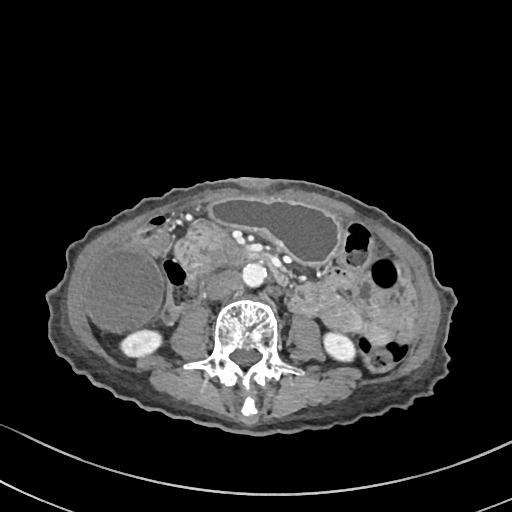
Computed tomography, abdomen. axial view
Coordinates as <box>x1,y1,x2,y2</box> in pixels. The annotated organs in this slice are: aorta at <box>241,264,265,288</box>, right kidney at <box>117,328,164,358</box>, stomach at <box>209,196,341,264</box>, left kidney at <box>321,330,358,364</box>, inferior vena cava at <box>206,271,239,300</box>, duodenum at <box>175,220,287,284</box>, pancreas at <box>187,242,235,275</box>, gall bladder at <box>83,248,166,330</box>.